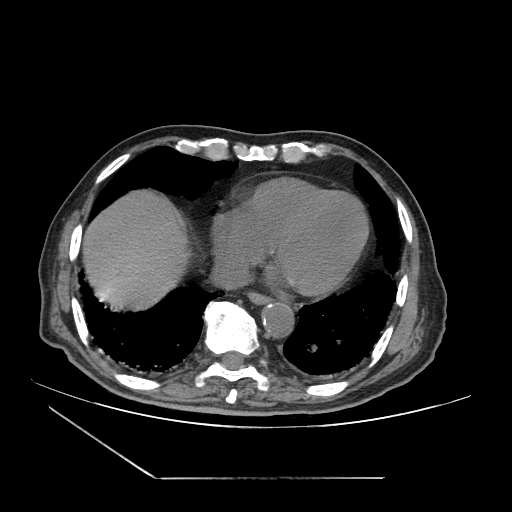 CT abdomen; axial plane, index 169; soft-tissue window (W 400 / L 40); 512x512 px; scan has 15 labeled organs (that count is for the whole scan; organs this slice misses have no box)
Organ boxes in pixel coordinates; each row gives the top-left (x1, y1) and bottom-right (x2, y2) corners.
| organ | x1 | y1 | x2 | y2 |
|---|---|---|---|---|
| inferior vena cava | 213 | 261 | 249 | 287 |
| esophagus | 248 | 293 | 270 | 305 |
| aorta | 262 | 302 | 294 | 338 |
| liver | 83 | 192 | 186 | 308 |